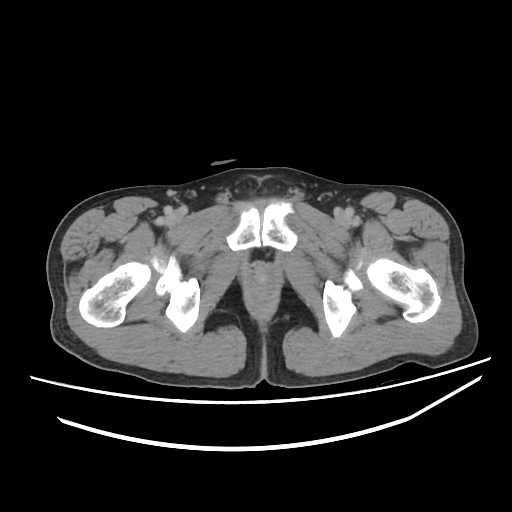

CT abdomen. axial plane, index 18. soft-tissue window
Bounding boxes as [x1, y1, x2, y2] in pixel coordinates.
Organ bounding boxes:
- prostate/uterus: [251, 267, 273, 289]